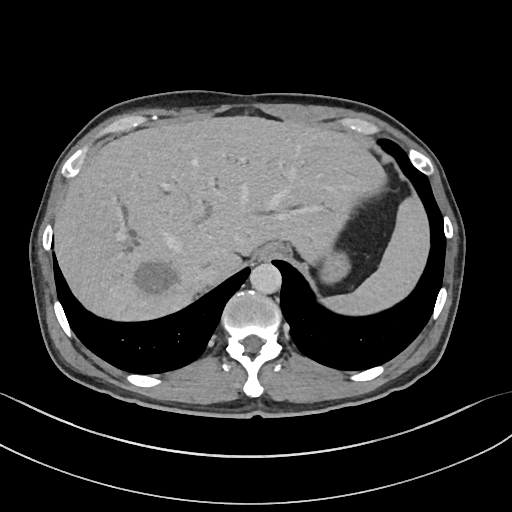
CT, abdomen/pelvis; axial view; abdomen soft-tissue window; 512x512 px
{"organs":{"inferior vena cava":[190,266,218,291],"esophagus":[255,243,283,260],"liver":[55,116,387,321],"aorta":[250,262,281,293],"spleen":[321,198,428,315],"stomach":[321,250,346,280]}}